CT abdomen. axial view. soft-tissue window (W 400 / L 40). 73-year-old female patient
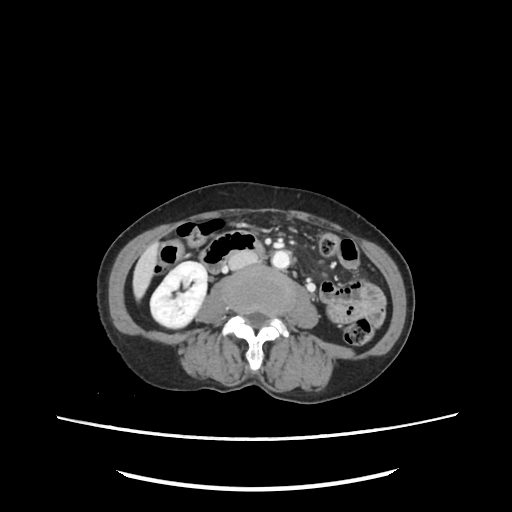

Boxes: x1 y1 x2 y2 (pixel coords, space-separated).
liver: 132 242 158 299
right kidney: 149 261 207 327
aorta: 272 252 290 268
duodenum: 199 231 264 272
inferior vena cava: 228 252 256 268